Abdominal CT. axial view. 54-year-old male patient. acquired on Aquilion ONE
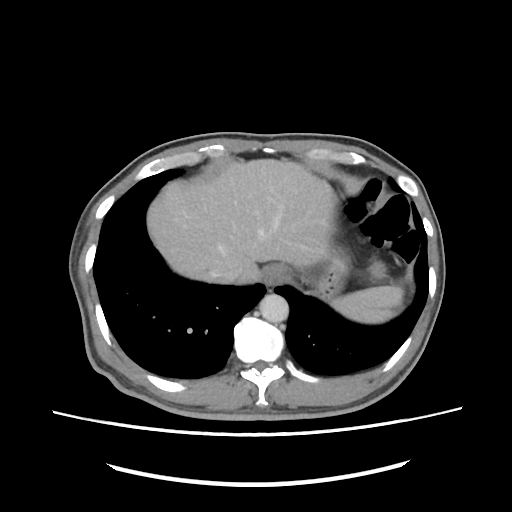

{"organs":{"spleen":[332,285,403,323],"esophagus":[262,264,286,285],"liver":[147,159,383,282],"stomach":[305,251,349,298],"aorta":[259,294,288,322],"inferior vena cava":[213,269,242,283]}}